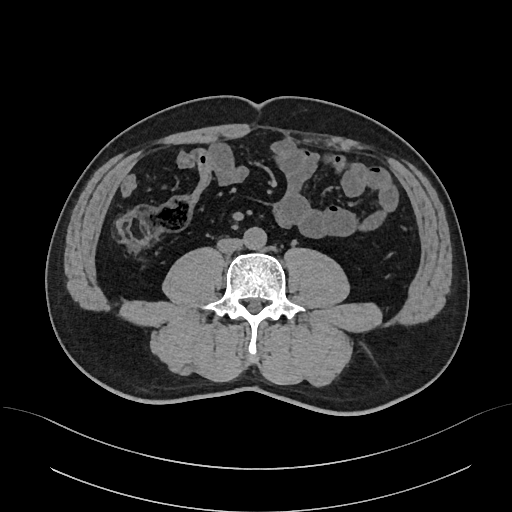
CT abdomen; axial view; abdomen soft-tissue window; 512x512 px
Organ boxes in pixel coordinates; each row gives the top-left (x1, y1) and bottom-right (x2, y2) corners.
| organ | x1 | y1 | x2 | y2 |
|---|---|---|---|---|
| aorta | 243 | 227 | 266 | 249 |
| inferior vena cava | 217 | 238 | 242 | 253 |